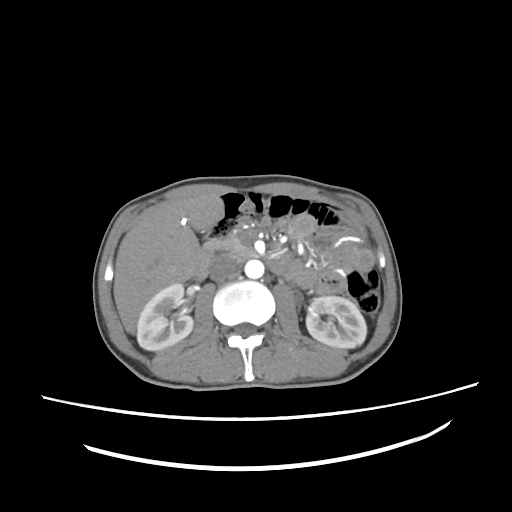 CT, abdomen/pelvis; axial view; 512x512 px
<organs><organ name="right kidney" x1="136" y1="283" x2="193" y2="350"/><organ name="left kidney" x1="306" y1="296" x2="366" y2="348"/><organ name="liver" x1="113" y1="195" x2="223" y2="332"/><organ name="aorta" x1="244" y1="260" x2="264" y2="278"/><organ name="inferior vena cava" x1="209" y1="256" x2="238" y2="281"/><organ name="pancreas" x1="204" y1="236" x2="254" y2="257"/><organ name="duodenum" x1="195" y1="249" x2="254" y2="279"/></organs>